CT of the abdomen extending into the chest, slice through the chest — axial view — W/L 400/40 HU — 65-year-old male patient
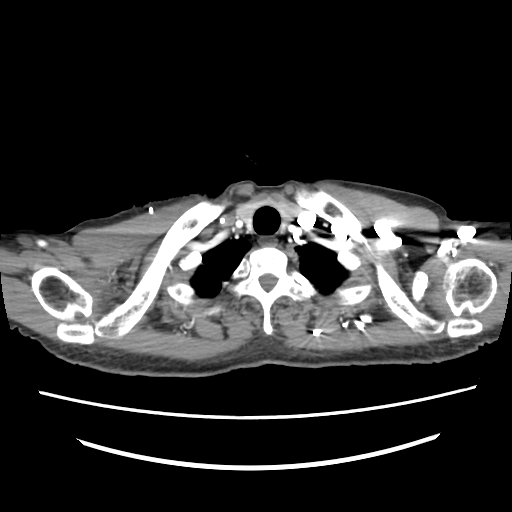 At this level of the chest this dataset labels only the esophagus and the aorta, and each is boxed only where it is labeled; the heart and lungs are never labeled.
Bounding boxes as [x1, y1, x2, y2] in pixel coordinates.
esophagus: [260, 237, 276, 246]